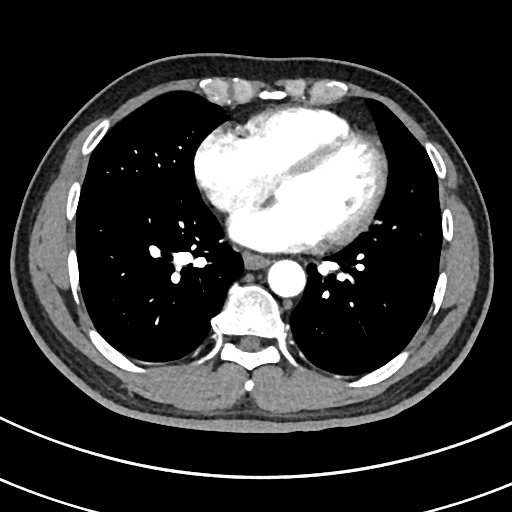 CT of the abdomen reaching into the lower chest, slice just above the liver and spleen. axial plane, index 210. soft-tissue window (W 400 / L 40). 512x512 px. acquired on SOMATOM Force
The heart and lungs are never labeled in this dataset, so they have no box on this slice.
<organs><organ name="aorta" x1="267" y1="260" x2="305" y2="297"/><organ name="esophagus" x1="243" y1="253" x2="269" y2="269"/></organs>